Computed tomography, abdomen · axial view · abdomen soft-tissue window · 512x512 px · acquired on SOMATOM Force
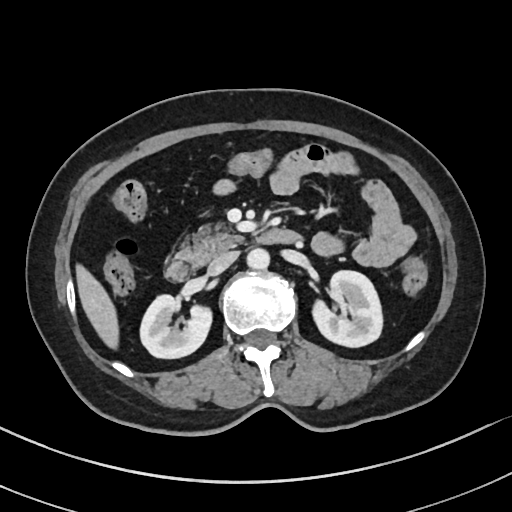 <organs><organ name="right kidney" x1="139" y1="293" x2="209" y2="358"/><organ name="left kidney" x1="313" y1="270" x2="383" y2="346"/><organ name="liver" x1="76" y1="265" x2="118" y2="347"/><organ name="aorta" x1="247" y1="247" x2="270" y2="268"/><organ name="inferior vena cava" x1="208" y1="251" x2="238" y2="275"/><organ name="pancreas" x1="174" y1="223" x2="245" y2="266"/><organ name="duodenum" x1="165" y1="229" x2="300" y2="281"/></organs>